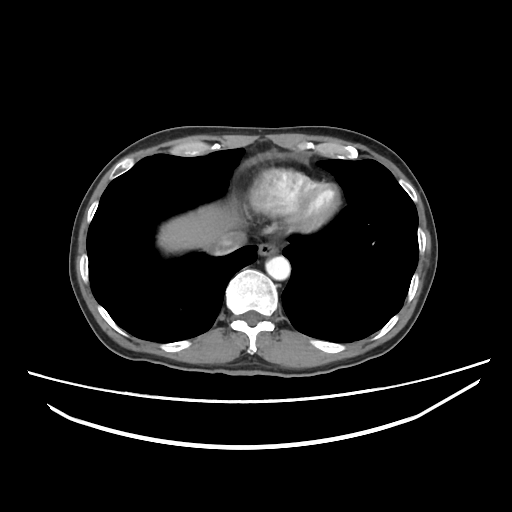

CT abdomen. axial plane, index 52. 63-year-old male patient
One row per box, in pixels: columns x1 and y1 give the top-left corner, x2 and y2 the bottom-right.
| organ | x1 | y1 | x2 | y2 |
|---|---|---|---|---|
| esophagus | 258 | 245 | 275 | 255 |
| liver | 158 | 204 | 241 | 251 |
| aorta | 265 | 256 | 290 | 280 |
| inferior vena cava | 212 | 231 | 246 | 255 |